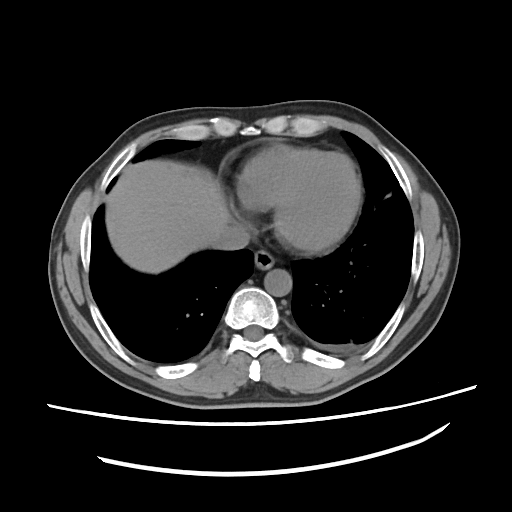

CT abdomen — Axial slice 88/92 — 512x512 px — 45-year-old male patient — scan has 15 labeled organs (that count is for the whole scan; organs this slice misses have no box)
<organs><organ name="liver" x1="105" y1="160" x2="231" y2="274"/><organ name="esophagus" x1="253" y1="252" x2="275" y2="270"/><organ name="inferior vena cava" x1="214" y1="223" x2="250" y2="249"/><organ name="aorta" x1="264" y1="269" x2="292" y2="297"/></organs>